MRI, abdomen. axial view
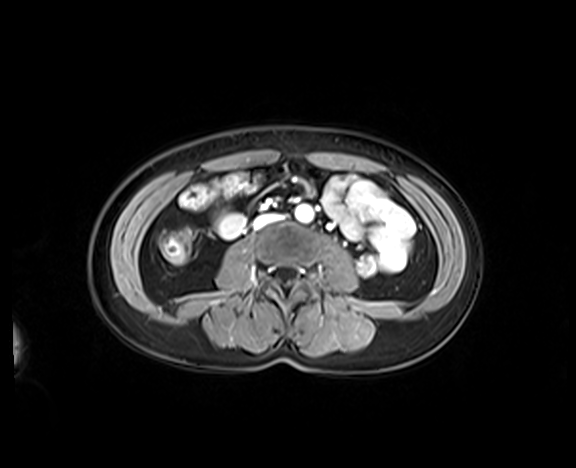 Boxes are (x1, y1, x2, y2) in pixels.
Organ bounding boxes:
- aorta: (295, 205, 313, 222)
- inferior vena cava: (253, 214, 279, 228)